CT abdomen · axial view · W/L 400/40 HU · scan has 15 labeled organs (that count is for the whole scan; organs this slice misses have no box)
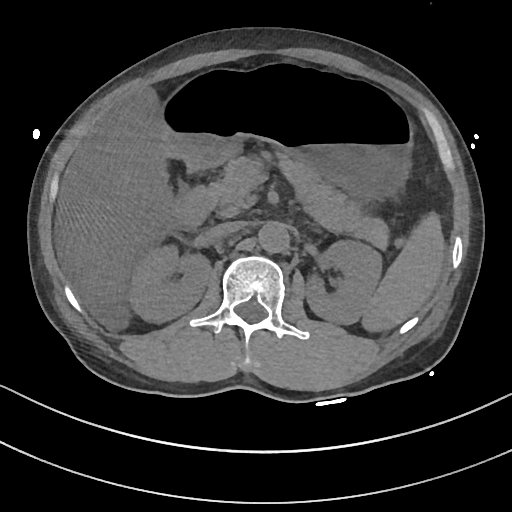 Boxes are (x1, y1, x2, y2) in pixels.
Organ bounding boxes:
- pancreas: (209, 155, 388, 248)
- duodenum: (173, 185, 215, 229)
- liver: (57, 87, 173, 304)
- left kidney: (306, 240, 381, 324)
- right kidney: (129, 245, 210, 322)
- inferior vena cava: (207, 221, 246, 238)
- aorta: (258, 221, 289, 253)
- stomach: (159, 71, 413, 201)
- spleen: (362, 211, 445, 332)